CT, abdomen/pelvis; axial plane, index 143; 15 organs annotated in this scan (a whole-scan count: organs this slice does not pass through have no box)
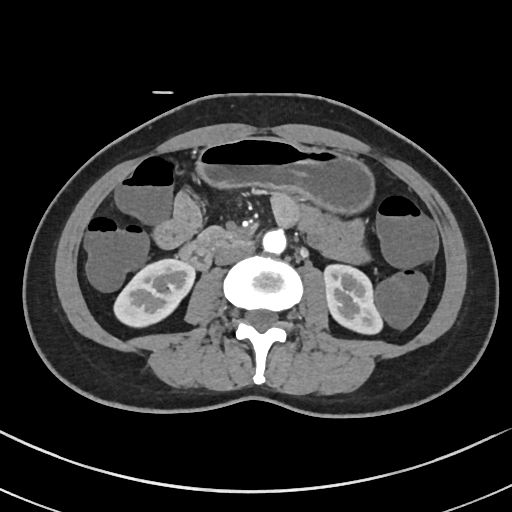
Boxes: x1:y1:x2:y2 in pixels.
Organ bounding boxes:
- right kidney: 114:259:195:327
- left kidney: 324:264:382:334
- stomach: 197:137:373:210
- aorta: 262:229:286:253
- inferior vena cava: 216:242:254:264
- duodenum: 179:228:246:270